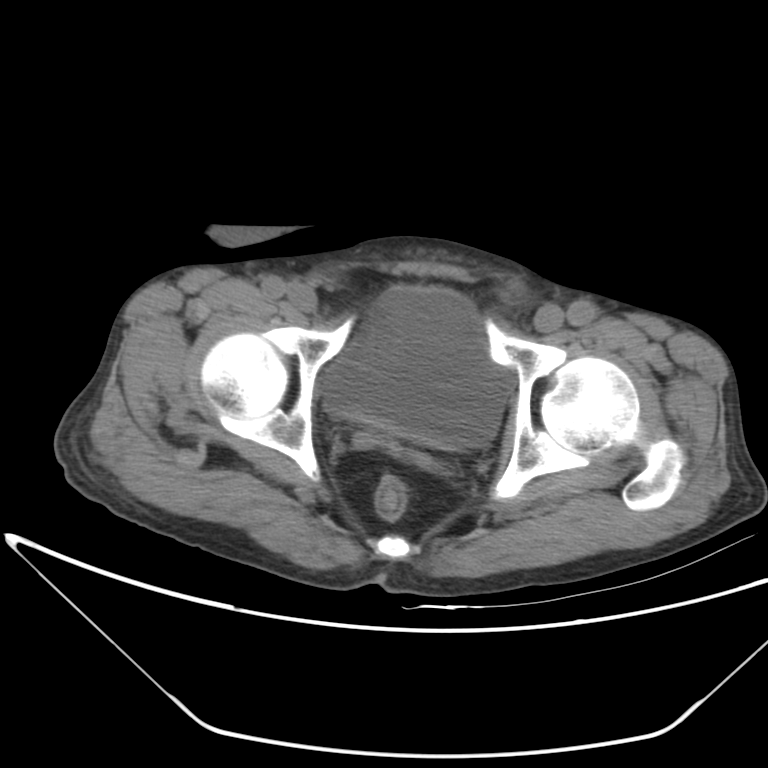
Computed tomography, abdomen — axial view — W/L 400/40 HU — 66-year-old male patient — Brilliance16 scanner — 15 organs annotated in this scan (that count is for the whole scan; organs this slice misses have no box)
Coordinates as <box>x1,y1,x2,y2</box> in pixels.
Organ bounding boxes:
- bladder: <box>325,286,509,447</box>